CT, abdomen/pelvis; axial view; abdomen soft-tissue window; 512x512 px; 72-year-old male patient
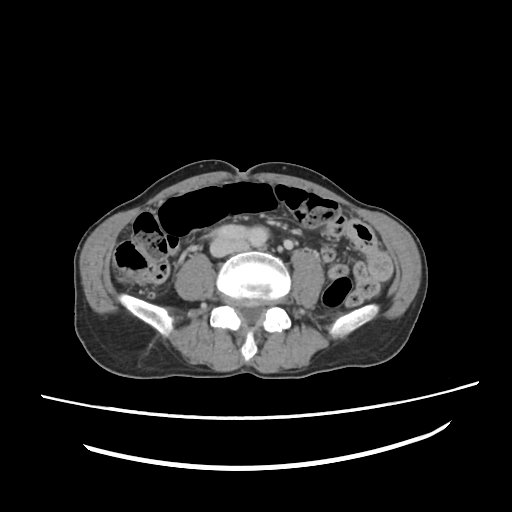
Coordinates as <box>x1,y1,x2,y2</box> in pixels.
inferior vena cava: <box>211,239,247,256</box>